Computed tomography, abdomen. axial view. W/L 400/40 HU. 512x512 px
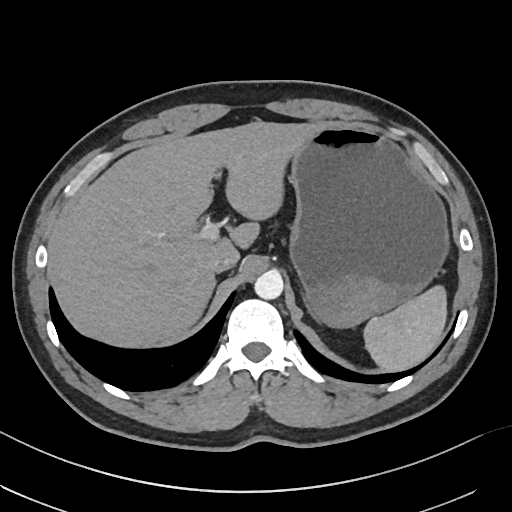 {"organs":{"spleen":[363,285,446,371],"liver":[53,121,321,347],"stomach":[289,127,448,328],"aorta":[254,270,283,299],"inferior vena cava":[209,254,238,273]}}